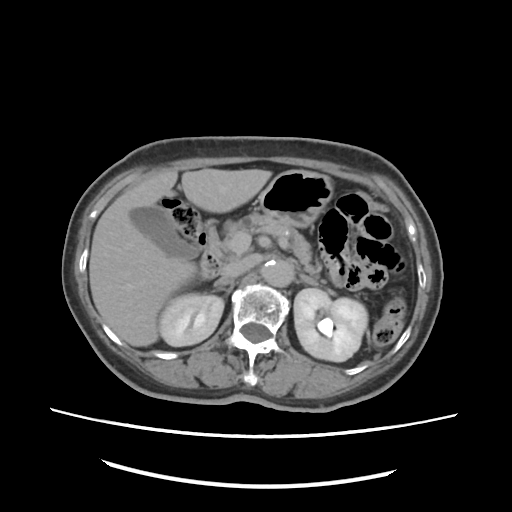
Computed tomography, abdomen · Axial slice 68/89 · 512x512 px · 76-year-old female patient
Bounding boxes in pixels, one row per box: x1, y1 is the top-left corner and x2, y2 the bottom-right.
| organ | x1 | y1 | x2 | y2 |
|---|---|---|---|---|
| right kidney | 159 | 294 | 223 | 346 |
| left kidney | 293 | 288 | 367 | 362 |
| gall bladder | 130 | 206 | 198 | 258 |
| liver | 88 | 165 | 271 | 346 |
| stomach | 255 | 171 | 334 | 226 |
| aorta | 260 | 261 | 293 | 287 |
| inferior vena cava | 220 | 254 | 263 | 277 |
| pancreas | 222 | 213 | 323 | 281 |
| right adrenal gland | 210 | 276 | 235 | 296 |
| left adrenal gland | 295 | 273 | 317 | 285 |
| duodenum | 198 | 224 | 222 | 278 |